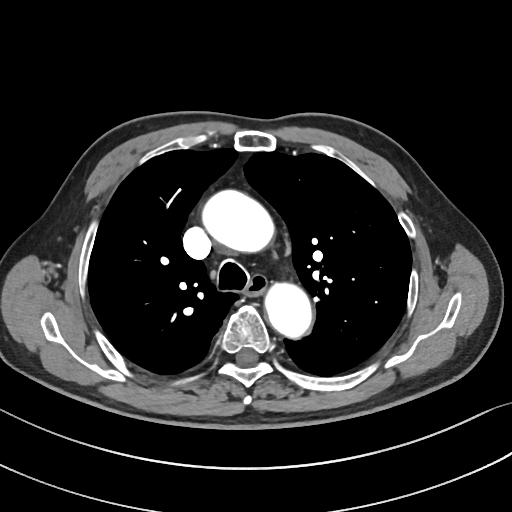 Abdominal CT reaching into the chest; this slice is in the chest; axial plane, index 259; soft-tissue window, W/L 400/40; 512x512 px; SOMATOM Force scanner
At this level of the chest no structure but the esophagus and the aorta has a label in this dataset, and those two are boxed only where they are labeled.
{"organs":{"aorta":[[202,190,273,252],[265,282,311,337]],"esophagus":[246,275,266,294]}}